Abdominal MRI · Coronal slice 97/144
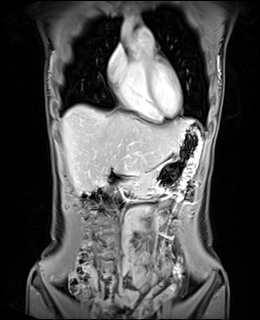 {"organs":{"liver":[62,105,192,190],"stomach":[134,126,203,189],"aorta":[121,16,134,33],"pancreas":[104,167,150,190],"duodenum":[105,169,140,185]}}